CT, abdomen/pelvis · axial plane, index 192 · SOMATOM Force scanner
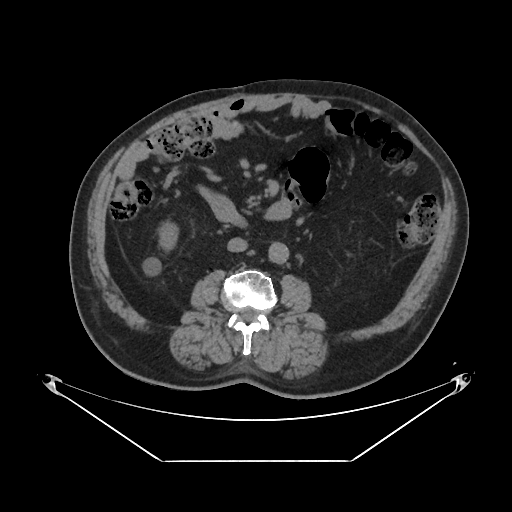 One row per box, in pixels: columns x1 and y1 give the top-left corner, x2 and y2 the bottom-right.
| organ | x1 | y1 | x2 | y2 |
|---|---|---|---|---|
| right kidney | 161 | 223 | 177 | 246 |
| duodenum | 199 | 185 | 242 | 223 |
| inferior vena cava | 227 | 237 | 248 | 251 |
| aorta | 268 | 241 | 288 | 262 |